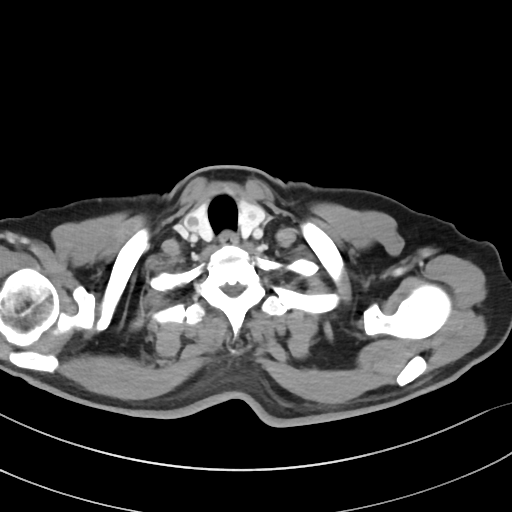
CT of the abdomen extending into the chest, slice through the chest — axial view — acquired on SOMATOM Force
On a slice this high in the chest, this dataset labels only the esophagus and the aorta, and each is boxed only where it is labeled; the heart, lungs and other chest structures are not labeled.
Each box given as x1,y1,x2,y2.
Organ bounding boxes:
- esophagus: x1=220, y1=231, x2=238, y2=245